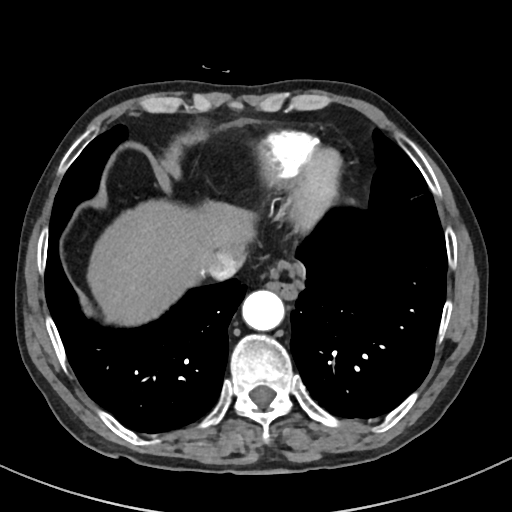

CT, abdomen/pelvis; axial view; abdomen soft-tissue window; acquired on SOMATOM Force
{"organs":{"liver":[87,199,255,326],"esophagus":[262,260,304,299],"inferior vena cava":[203,249,245,280],"aorta":[242,290,284,330]}}